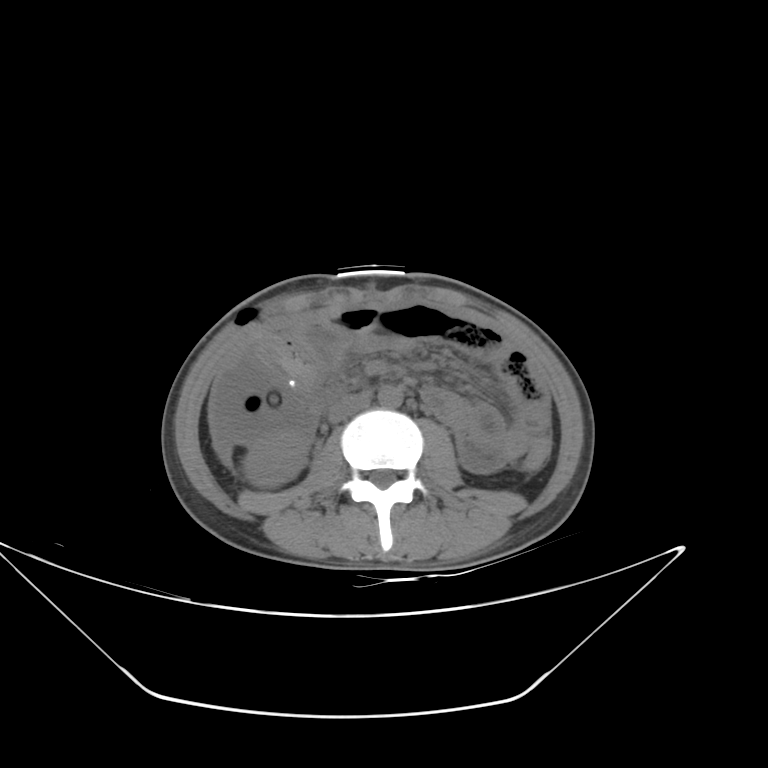

CT abdomen. axial view. 768x768 px. Brilliance16 scanner. scan has 15 labeled organs (counted over the whole 3D scan, not this slice; an organ is boxed only where this slice passes through it)
Boxes are (x1, y1, x2, y2) in pixels.
Organ bounding boxes:
- right kidney: (242, 434, 307, 487)
- inferior vena cava: (328, 394, 370, 422)
- aorta: (378, 385, 402, 408)